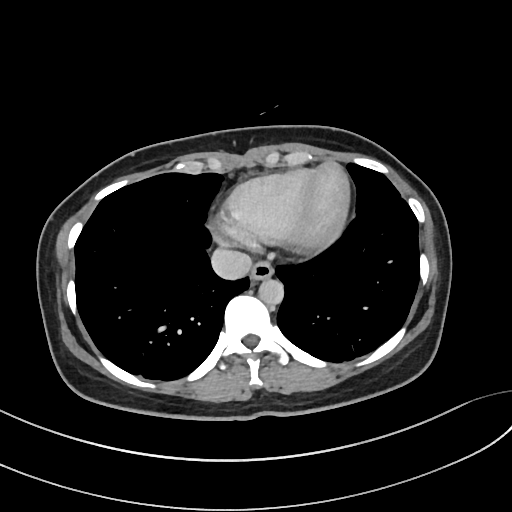
CT of the abdomen reaching into the lower chest, slice just above the liver and spleen. axial view. soft-tissue window (W 400 / L 40)
The heart and lungs are never labeled in this dataset, so they have no box on this slice.
{"organs":{"esophagus":[251,262,273,279],"aorta":[258,277,283,304],"inferior vena cava":[210,247,252,280]}}